Computed tomography, abdomen; axial view; soft-tissue window (W 400 / L 40); 512x512 px
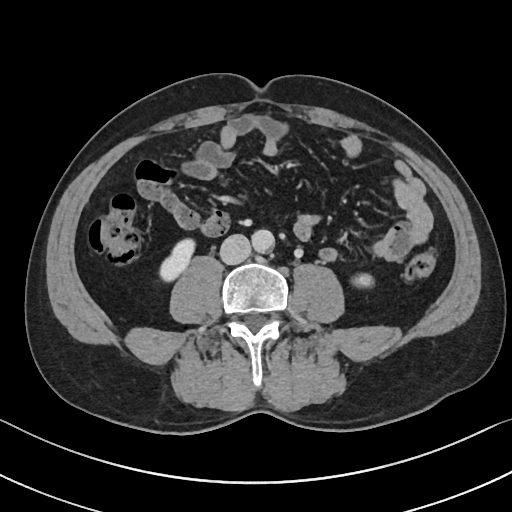
Bounding boxes as [x1, y1, x2, y2] in pixel coordinates.
Organ bounding boxes:
- right kidney: [159, 239, 195, 281]
- left kidney: [353, 273, 373, 287]
- aorta: [251, 229, 274, 253]
- inferior vena cava: [220, 234, 250, 264]